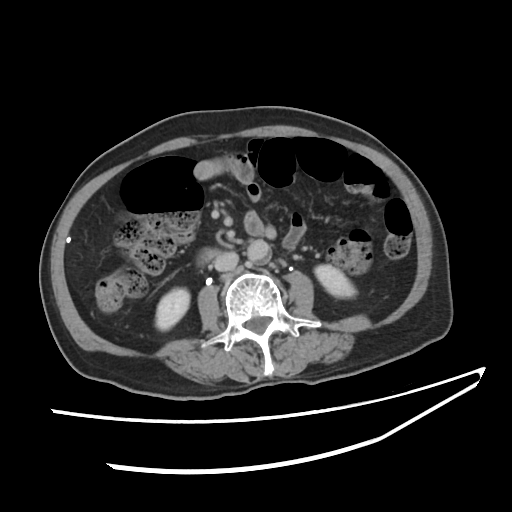

Abdominal CT. axial view. 15 organs annotated in this scan (that count is for the whole scan; organs this slice misses have no box)
Boxes are (x1, y1, x2, y2) in pixels.
Organ bounding boxes:
- right kidney: (155, 288, 190, 330)
- left kidney: (312, 263, 355, 297)
- aorta: (247, 240, 269, 265)
- inferior vena cava: (214, 252, 238, 270)
- duodenum: (196, 247, 221, 264)